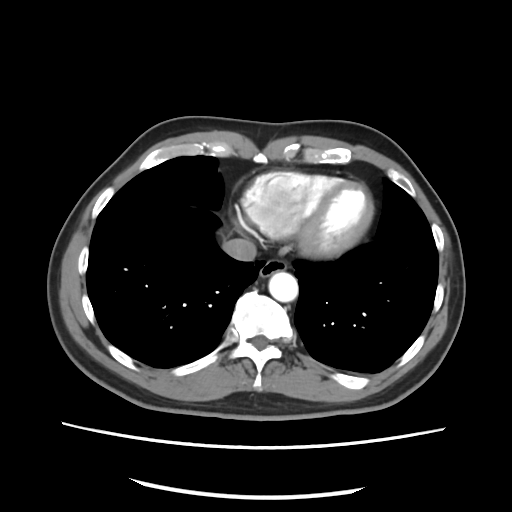
CT of the abdomen reaching into the lower chest, slice just above the liver and spleen · Axial slice 90/91 · 512x512 px · Aquilion ONE scanner
The heart and lungs are never labeled in this dataset, so they have no box on this slice. Each box given as x1,y1,x2,y2. 3 labeled organs on this slice — esophagus at x1=260, y1=257, x2=286, y2=277; aorta at x1=268, y1=271, x2=298, y2=302; inferior vena cava at x1=222, y1=238, x2=257, y2=260.